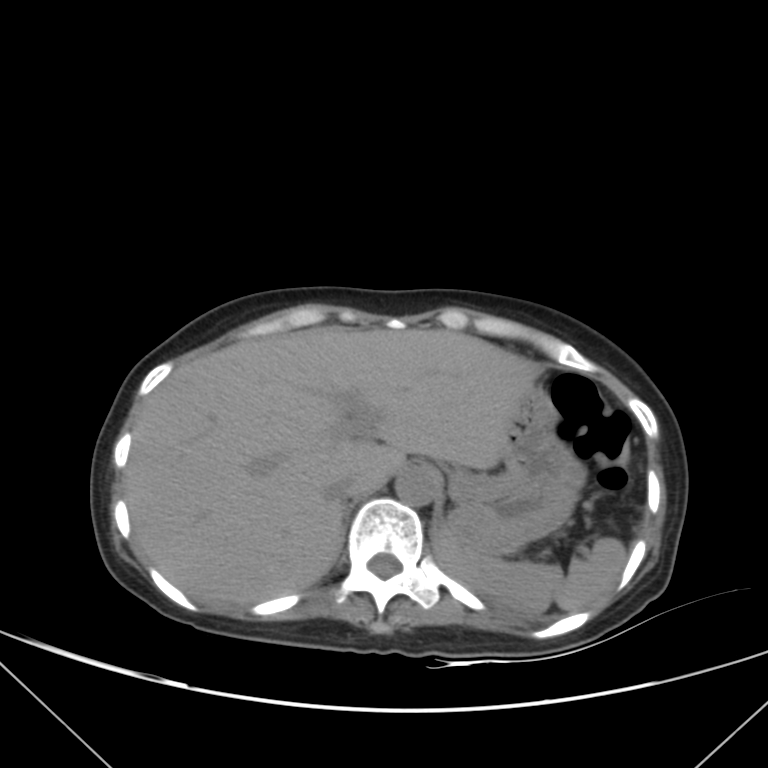 CT abdomen · Axial slice 76/94
One row per box, in pixels: columns x1 and y1 give the top-left corner, x2 and y2 the bottom-right.
| organ | x1 | y1 | x2 | y2 |
|---|---|---|---|---|
| spleen | 435 | 527 | 627 | 613 |
| liver | 123 | 328 | 540 | 605 |
| stomach | 450 | 387 | 586 | 556 |
| aorta | 396 | 465 | 439 | 506 |
| inferior vena cava | 325 | 475 | 355 | 501 |